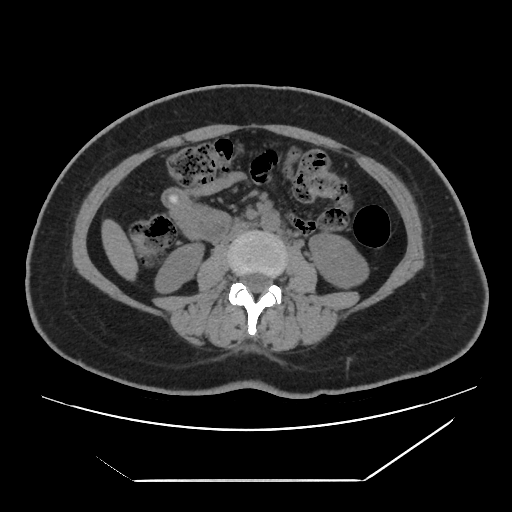
CT, abdomen/pelvis — axial view — 512x512 px — SOMATOM Force scanner
Boxes: x1 y1 x2 y2 (pixel coords, space-separated).
Organ bounding boxes:
- right kidney: 154 242 204 294
- left kidney: 308 233 369 289
- liver: 101 218 138 282
- aorta: 261 212 280 231
- inferior vena cava: 223 223 249 242